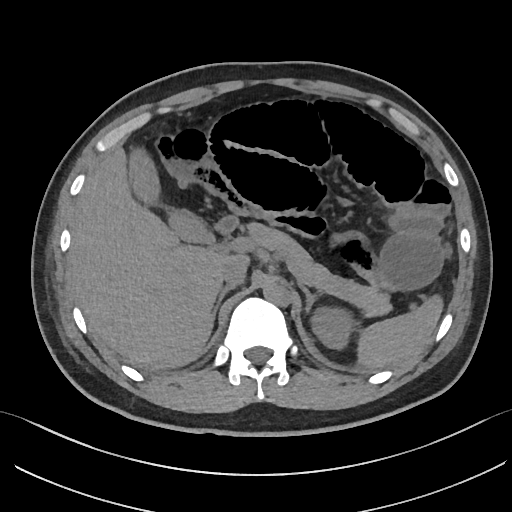 CT, abdomen/pelvis; Axial slice 176/234; 512x512 px
{"organs":{"inferior vena cava":[220,257,247,287],"gall bladder":[127,148,211,242],"left kidney":[311,307,354,349],"liver":[67,146,248,366],"pancreas":[246,222,391,316],"aorta":[263,282,291,306],"right adrenal gland":[212,286,234,322],"duodenum":[215,215,238,234],"left adrenal gland":[301,286,319,313],"spleen":[357,294,443,367]}}